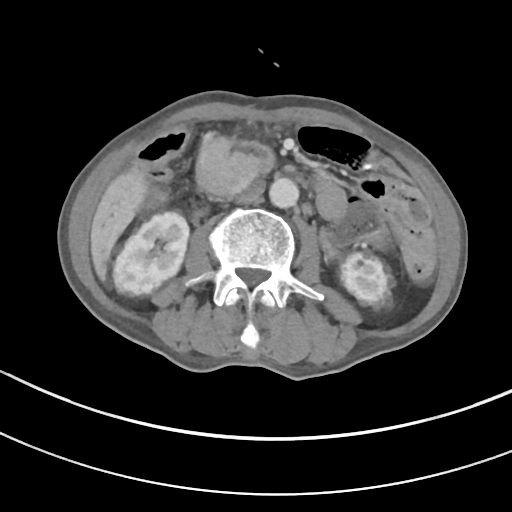

CT, abdomen/pelvis. Axial slice 47/122. 512x512 px
Boxes are (x1, y1, x2, y2) in pixels.
Organ bounding boxes:
- right kidney: (113, 212, 189, 294)
- left kidney: (338, 253, 394, 305)
- liver: (90, 167, 147, 279)
- aorta: (269, 177, 298, 208)
- inferior vena cava: (235, 179, 265, 204)
- duodenum: (194, 136, 274, 194)